CT, abdomen/pelvis · Axial slice 109/212
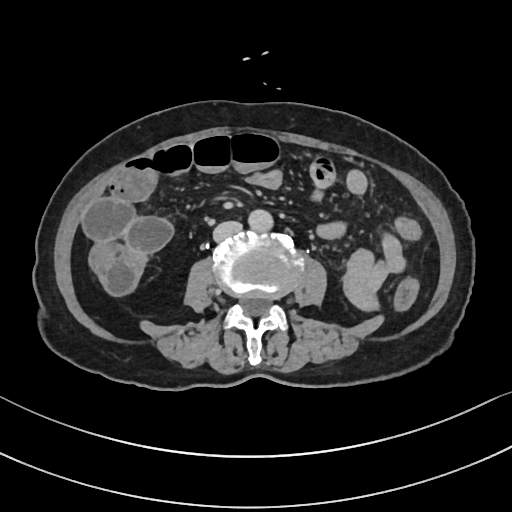
Coordinates as <box>x1,y1,x2,y2</box> in pixels. Labeled organs on this slice: aorta at <box>248,209,273,231</box>, inferior vena cava at <box>213,221,242,242</box>.